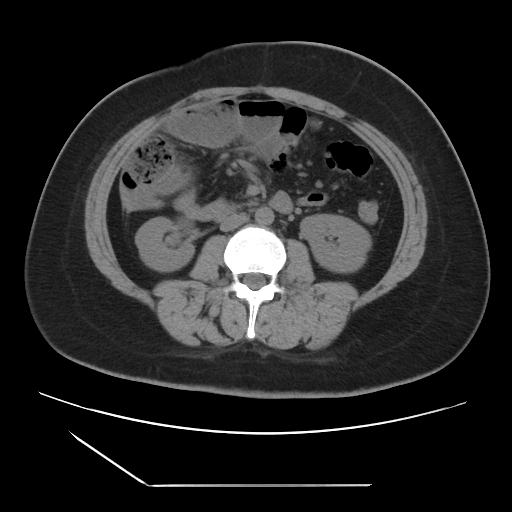

Abdominal CT. axial view
Boxes: x1 y1 x2 y2 (pixel coords, space-separated). The annotated organs in this slice are: right kidney at 135 217 194 271, inferior vena cava at 220 213 248 231, left kidney at 300 214 371 272, aorta at 255 207 273 225, duodenum at 269 192 291 212.